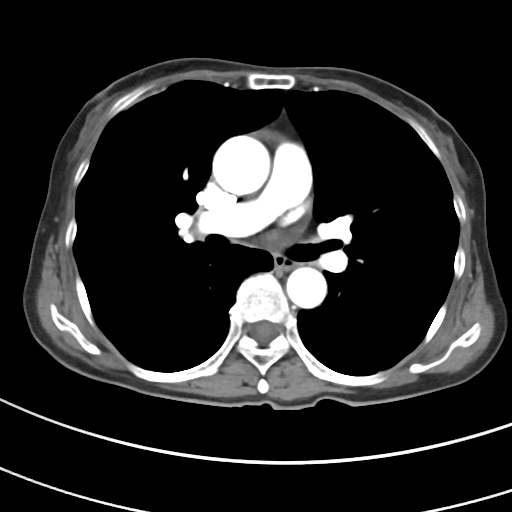

Chest-level slice from an abdominal CT that extends up into the chest. axial view
On a slice this high in the chest, this dataset labels only the esophagus and the aorta, and each is boxed only where it is labeled; the heart, lungs and other chest structures are not labeled.
Bounding boxes as [x1, y1, x2, y2] in pixel coordinates.
esophagus: [274, 257, 295, 270]
aorta: [212, 135, 270, 195]
aorta: [286, 267, 326, 308]